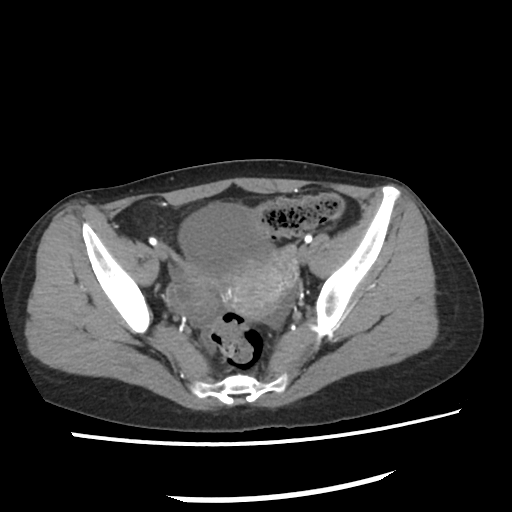 Abdominal CT · Axial slice 23/124 · 512x512 px · 15 organs annotated in this scan (a whole-scan count: organs this slice does not pass through have no box)
<organs><organ name="bladder" x1="179" y1="206" x2="272" y2="275"/><organ name="prostate/uterus" x1="230" y1="262" x2="286" y2="317"/></organs>